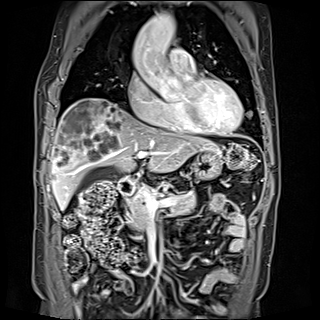 MRI, abdomen. coronal plane, index 40. scan has 13 labeled organs (that count is for the whole scan; organs this slice misses have no box)
Boxes are (x1, y1, x2, y2) in pixels. The annotated organs in this slice are: gall bladder at (78, 166, 116, 189), duodenum at (117, 177, 134, 196), stomach at (192, 151, 222, 179), pancreas at (127, 188, 196, 228), aorta at (133, 13, 175, 55), liver at (51, 98, 219, 209).